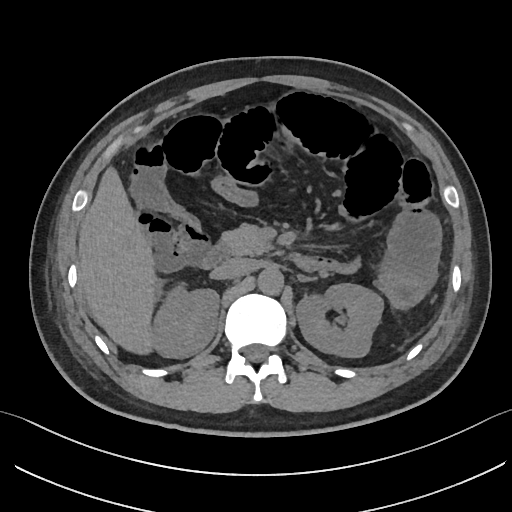

CT, abdomen/pelvis · Axial slice 161/234
{"organs":{"left kidney":[296,283,383,357],"aorta":[258,268,283,294],"liver":[78,167,156,354],"pancreas":[219,224,270,254],"inferior vena cava":[213,258,253,278],"duodenum":[200,244,228,268],"right kidney":[152,282,219,357]}}